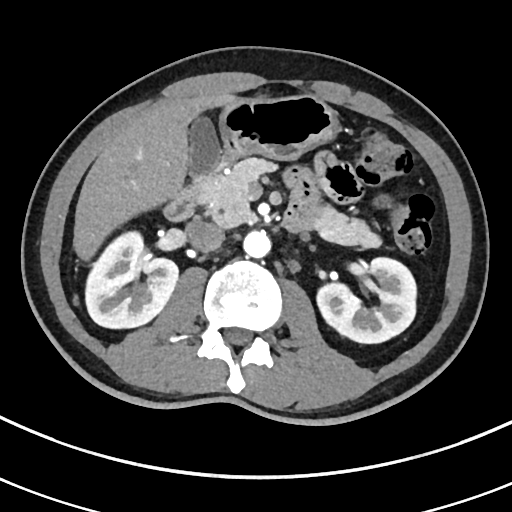
Abdominal CT; axial view; soft-tissue window (W 400 / L 40)
Organ boxes in pixel coordinates; each row gives the top-left (x1, y1) and bottom-right (x2, y2) corners.
| organ | x1 | y1 | x2 | y2 |
|---|---|---|---|---|
| aorta | 243 | 230 | 270 | 258 |
| left kidney | 315 | 258 | 415 | 343 |
| pancreas | 207 | 158 | 383 | 247 |
| stomach | 220 | 97 | 341 | 160 |
| duodenum | 165 | 139 | 241 | 222 |
| liver | 73 | 93 | 238 | 262 |
| right kidney | 86 | 231 | 178 | 329 |
| inferior vena cava | 184 | 218 | 224 | 251 |
| gall bladder | 190 | 118 | 220 | 174 |